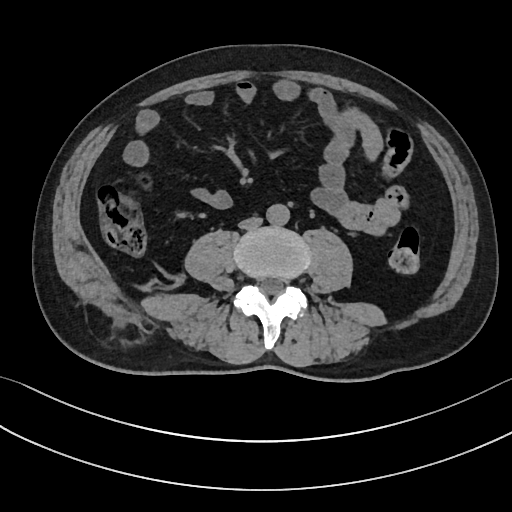
CT, abdomen/pelvis · axial view · soft-tissue window · acquired on SOMATOM Force
Box edges are left/top/right/bottom in pixels.
Organ bounding boxes:
- aorta: left=266, top=204, right=289, bottom=225
- inferior vena cava: left=238, top=217, right=262, bottom=229